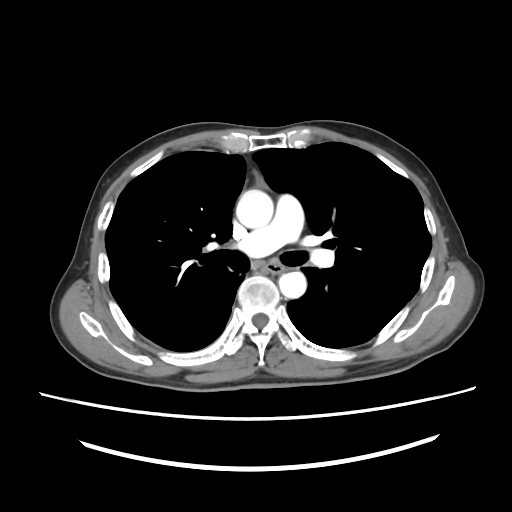

Abdominal CT reaching into the chest; this slice is in the chest — axial view — W/L 400/40 HU — 512x512 px — 15 organs annotated in this scan (counted over the whole 3D scan, not this slice; an organ is boxed only where this slice passes through it)
At this level of the chest no structure but the esophagus and the aorta has a label in this dataset, and those two are boxed only where they are labeled.
{"organs":{"esophagus":[265,262,282,272],"aorta":[[236,189,273,228],[278,271,306,298]]}}